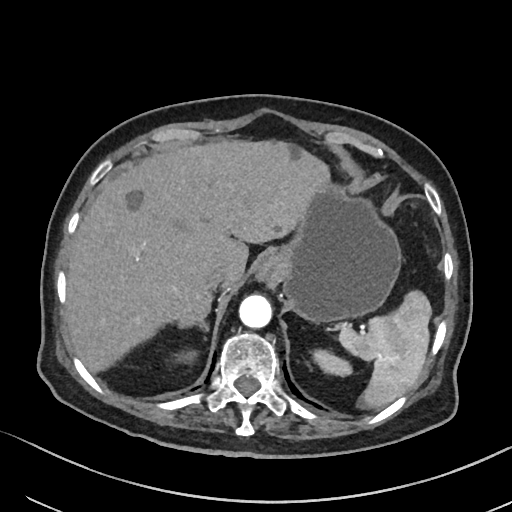
Computed tomography, abdomen. axial view. 512x512 px
Each box given as x1,y1,x2,y2.
stomach: x1=257, y1=183, x2=402, y2=323
aorta: x1=239, y1=295, x2=271, y2=328
esophagus: x1=255, y1=250, x2=282, y2=285
right kidney: x1=183, y1=350, x2=197, y2=361
left kidney: x1=312, y1=349, x2=351, y2=376
liver: x1=66, y1=140, x2=329, y2=372
right adrenal gland: x1=177, y1=320, x2=208, y2=331
spleen: x1=339, y1=290, x2=431, y2=408
inferior vena cava: x1=206, y1=264, x2=231, y2=289